CT, abdomen/pelvis; axial plane, index 148
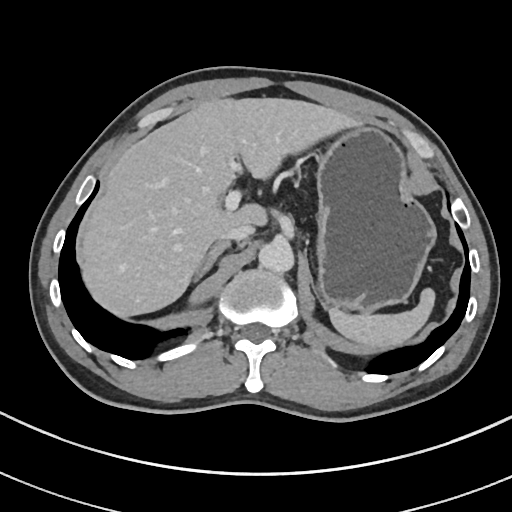 Bounding boxes in pixels, one row per box: x1, y1 is the top-left corner and x2, y2 the bottom-right.
| organ | x1 | y1 | x2 | y2 |
|---|---|---|---|---|
| spleen | 329 | 289 | 434 | 346 |
| liver | 81 | 98 | 354 | 316 |
| stomach | 314 | 125 | 436 | 315 |
| aorta | 259 | 241 | 295 | 274 |
| inferior vena cava | 219 | 223 | 252 | 241 |
| right adrenal gland | 194 | 242 | 230 | 281 |